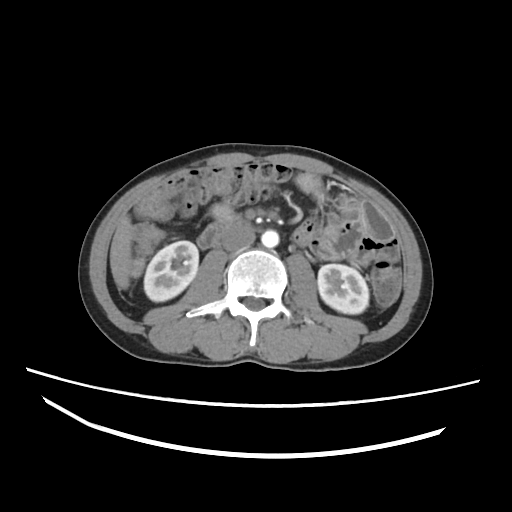

Computed tomography, abdomen. axial plane, index 62. W/L 400/40 HU. 40-year-old male patient. 15 organs annotated in this scan (a whole-scan count: organs this slice does not pass through have no box)
Boxes: x1 y1 x2 y2 (pixel coords, space-separated). 6 labeled organs on this slice — right kidney at 144 240 198 301; left kidney at 317 264 368 314; liver at 110 216 133 287; aorta at 261 230 279 247; inferior vena cava at 222 225 255 251; duodenum at 197 219 244 248.